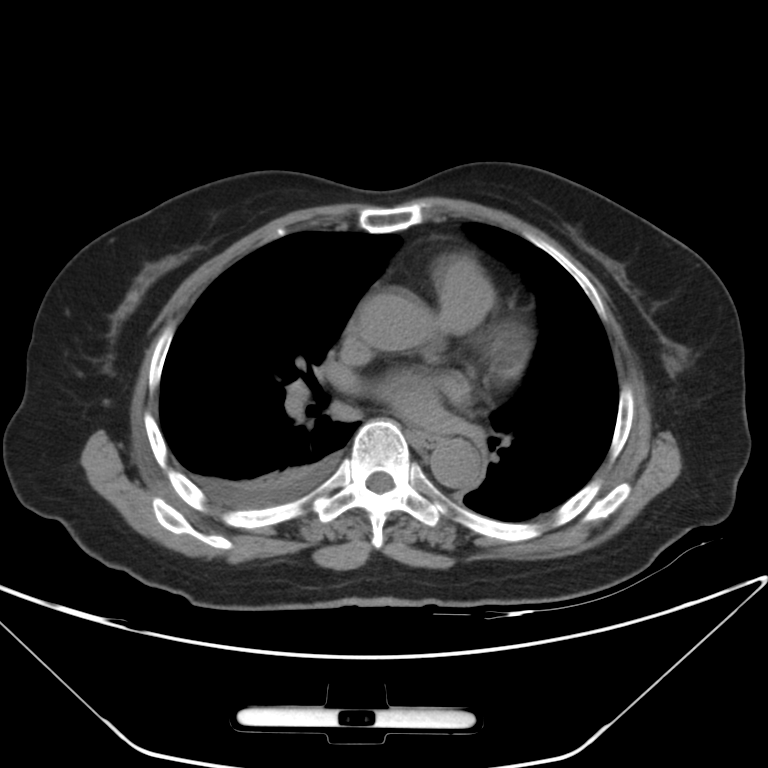
Abdominal CT; this slice is in the lower chest, just above the liver; Axial slice 94/94; soft-tissue window (W 400 / L 40); acquired on Brilliance16
The heart and lungs are never labeled in this dataset, so they have no box on this slice.
{"organs":{"esophagus":[416,432,440,447],"aorta":[[362,294,432,349],[430,438,483,489]]}}